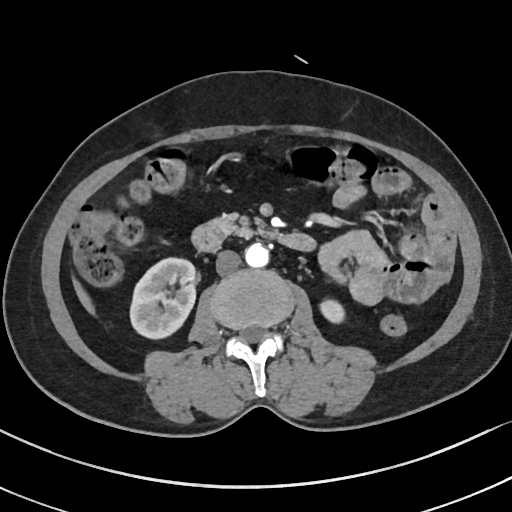

Computed tomography, abdomen — axial view — 15 organs annotated in this scan (counted over the whole 3D scan, not this slice; an organ is boxed only where this slice passes through it)
Box edges are left/top/right/bottom in pixels. The annotated organs in this slice are: right kidney at left=130, top=257, right=195, bottom=338, left kidney at left=320, top=300, right=344, bottom=322, liver at left=73, top=279, right=94, bottom=314, aorta at left=245, top=243, right=268, bottom=267, inferior vena cava at left=216, top=250, right=241, bottom=275, pancreas at left=210, top=213, right=275, bottom=237, duodenum at left=191, top=223, right=315, bottom=251.